Computed tomography, abdomen — axial view — soft-tissue window — 768x768 px
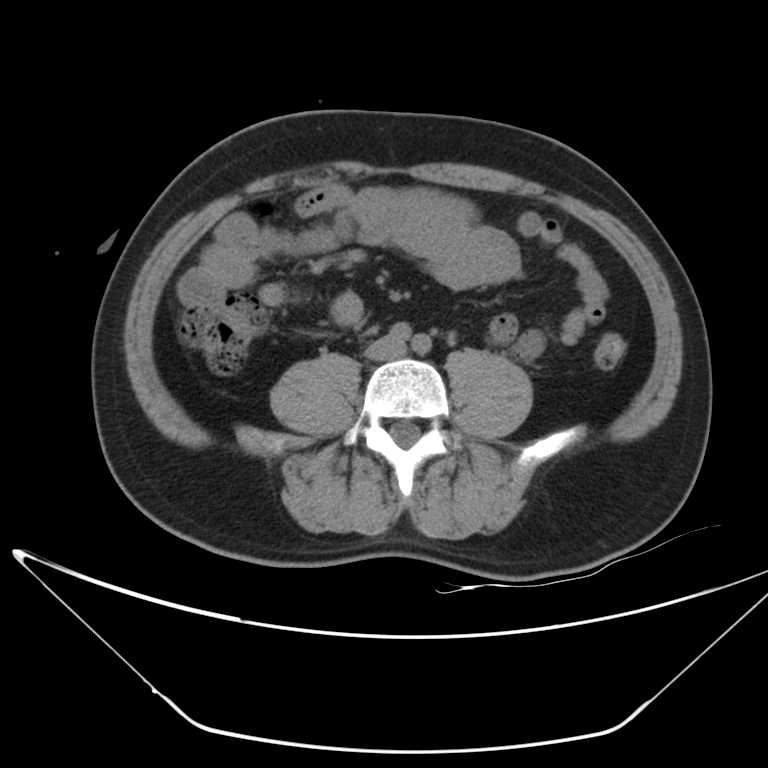
One row per box, in pixels: columns x1 and y1 give the top-left corner, x2 and y2 the bottom-right.
| organ | x1 | y1 | x2 | y2 |
|---|---|---|---|---|
| inferior vena cava | 365 | 335 | 405 | 361 |